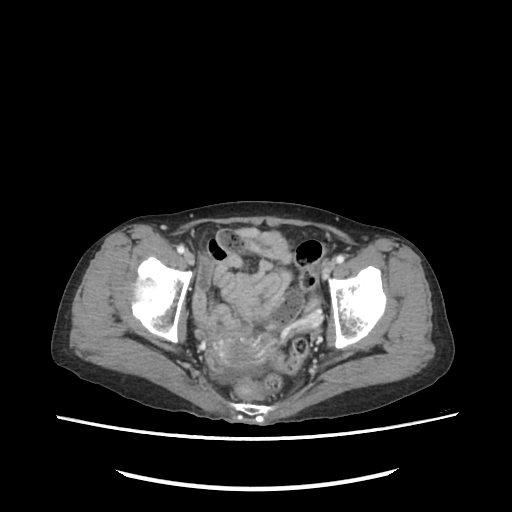

CT, abdomen/pelvis — axial view — W/L 400/40 HU — 512x512 px
Bounding boxes in pixels, one row per box: x1, y1 is the top-left corner and x2, y2 the bottom-right.
| organ | x1 | y1 | x2 | y2 |
|---|---|---|---|---|
| prostate/uterus | 213 | 335 | 273 | 366 |